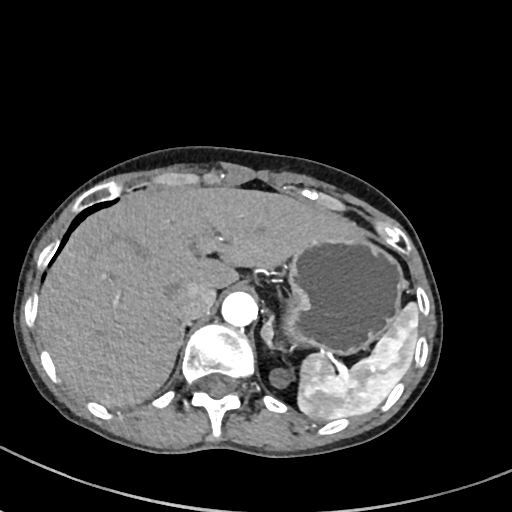 Abdominal CT; axial view; soft-tissue window; 512x512 px; scan has 15 labeled organs (that count is for the whole scan; organs this slice misses have no box)
<organs><organ name="left adrenal gland" x1="262" y1="316" x2="273" y2="344"/><organ name="spleen" x1="298" y1="302" x2="418" y2="420"/><organ name="aorta" x1="221" y1="292" x2="258" y2="326"/><organ name="liver" x1="38" y1="186" x2="362" y2="407"/><organ name="left kidney" x1="270" y1="370" x2="289" y2="388"/><organ name="stomach" x1="283" y1="239" x2="406" y2="355"/><organ name="inferior vena cava" x1="174" y1="282" x2="215" y2="322"/><organ name="right adrenal gland" x1="179" y1="322" x2="188" y2="345"/></organs>